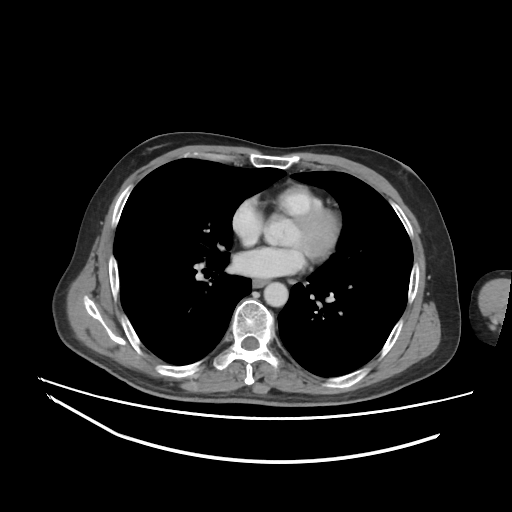
Chest-level CT slice, above the liver and spleen — axial view — soft-tissue window, W/L 400/40 — acquired on Aquilion ONE
On a slice this high in the chest, this dataset labels only the esophagus and the aorta, and each is boxed only where it is labeled; the heart, lungs and other chest structures are not labeled.
Box edges are left/top/right/bottom in pixels.
Organ bounding boxes:
- aorta: left=263, top=282, right=288, bottom=306
- esophagus: left=252, top=279, right=268, bottom=287